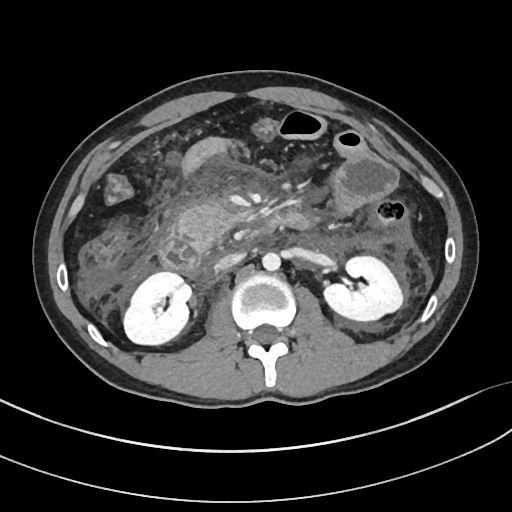

Abdominal CT; Axial slice 145/251; 512x512 px; scan has 15 labeled organs (counted over the whole 3D scan, not this slice; an organ is boxed only where this slice passes through it)
Each box given as x1,y1,x2,y2.
pancreas: x1=178, y1=204, x2=235, y2=250
aorta: x1=262, y1=252, x2=280, y2=270
inferior vena cava: x1=215, y1=252, x2=244, y2=270
left kidney: x1=324, y1=256, x2=403, y2=321
right kidney: x1=123, y1=271, x2=191, y2=344
duodenum: x1=159, y1=223, x2=263, y2=279